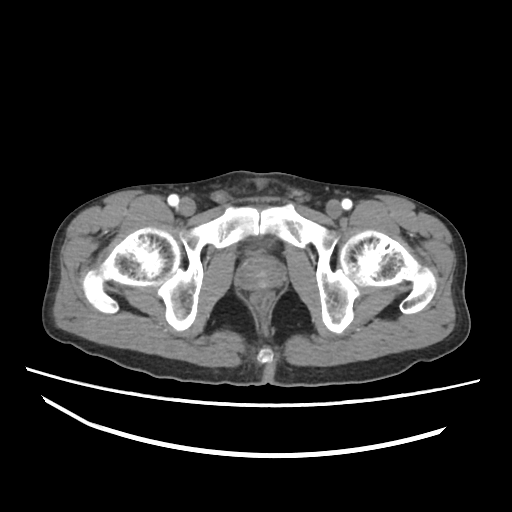 Computed tomography, abdomen; axial view; W/L 400/40 HU; 512x512 px; 40-year-old male patient
Box edges are left/top/right/bottom in pixels. Labeled organs on this slice: prostate/uterus at left=237, top=256, right=284, bottom=289.